CT, abdomen/pelvis · axial plane, index 88 · soft-tissue window (W 400 / L 40) · scan has 15 labeled organs (a whole-scan count: organs this slice does not pass through have no box)
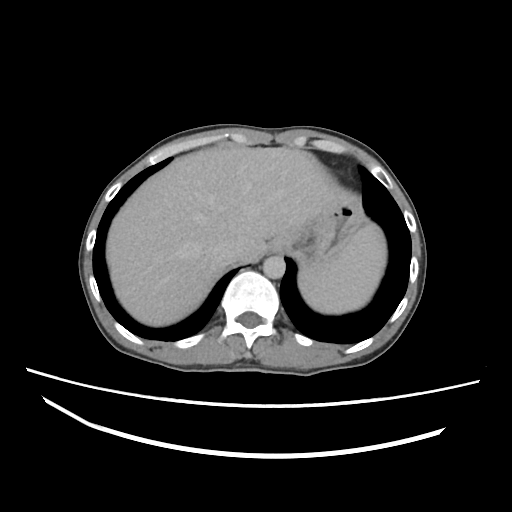

Box edges are left/top/right/bottom in pixels. The annotated organs in this slice are: liver at left=105, top=146, right=337, bottom=325, stomach at left=269, top=192, right=361, bottom=260, spleen at left=299, top=224, right=385, bottom=314, inferior vena cava at left=209, top=236, right=242, bottom=264, aorta at left=262, top=255, right=284, bottom=277.